CT, abdomen/pelvis. axial plane, index 112. W/L 400/40 HU. 512x512 px
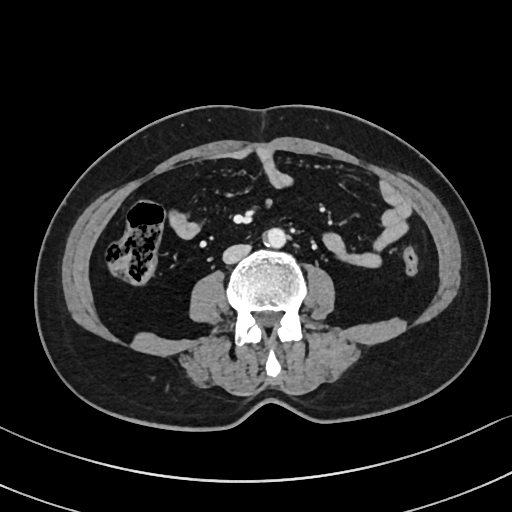 Box edges are left/top/right/bottom in pixels.
aorta: left=264, top=228, right=286, bottom=247
inferior vena cava: left=222, top=244, right=250, bottom=263